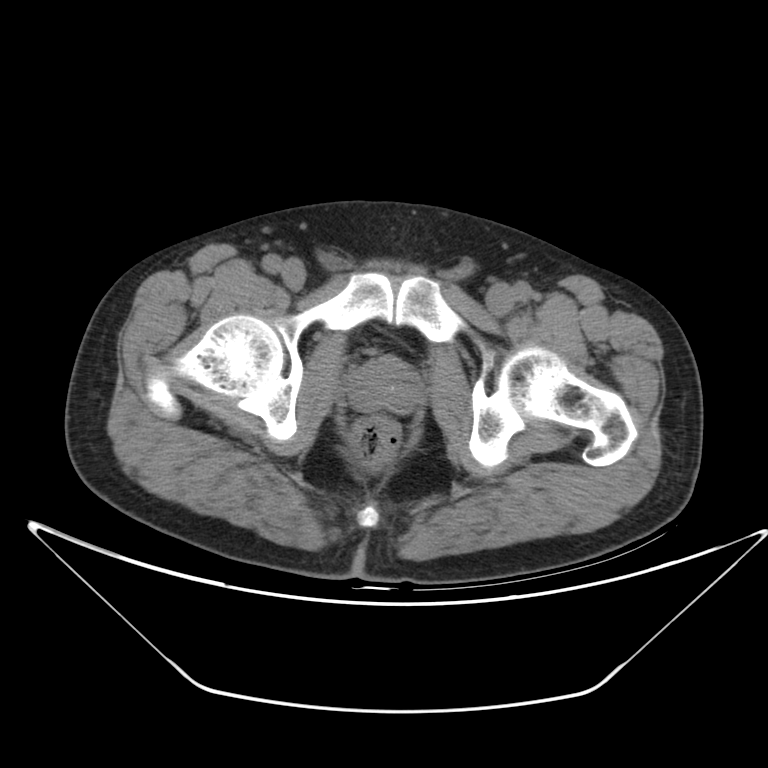 CT abdomen. axial view. soft-tissue window (W 400 / L 40). 15 organs annotated in this scan (that count is for the whole scan; organs this slice misses have no box)
Coordinates as <box>x1,y1,x2,y2</box> in pixels.
Organ bounding boxes:
- prostate/uterus: <box>348,358,423,412</box>